CT abdomen — axial view
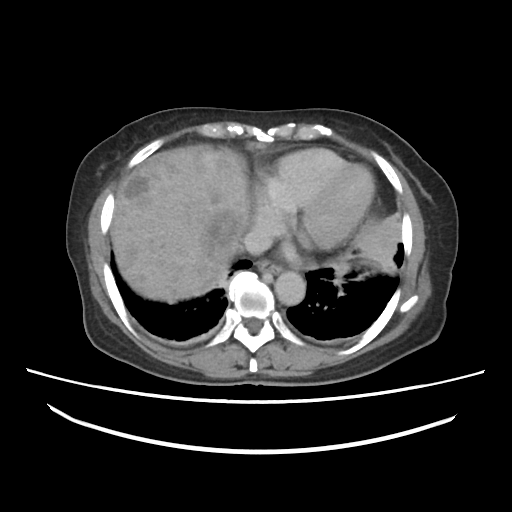
Box edges are left/top/right/bottom in pixels.
Organ bounding boxes:
- esophagus: left=257, top=261, right=282, bottom=274
- liver: left=111, top=144, right=399, bottom=302
- aorta: left=276, top=271, right=305, bottom=304
- inferior vena cava: left=241, top=227, right=273, bottom=254